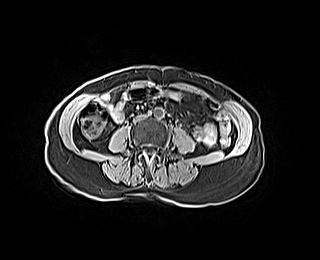

Magnetic resonance imaging, abdomen — axial view — scan has 13 labeled organs (a whole-scan count: organs this slice does not pass through have no box)
Organ boxes in pixel coordinates; each row gives the top-left (x1, y1) and bottom-right (x2, y2) corners.
| organ | x1 | y1 | x2 | y2 |
|---|---|---|---|---|
| aorta | 153 | 107 | 164 | 118 |
| inferior vena cava | 134 | 115 | 145 | 120 |